Computed tomography, abdomen — axial view — scan has 15 labeled organs (a whole-scan count: organs this slice does not pass through have no box)
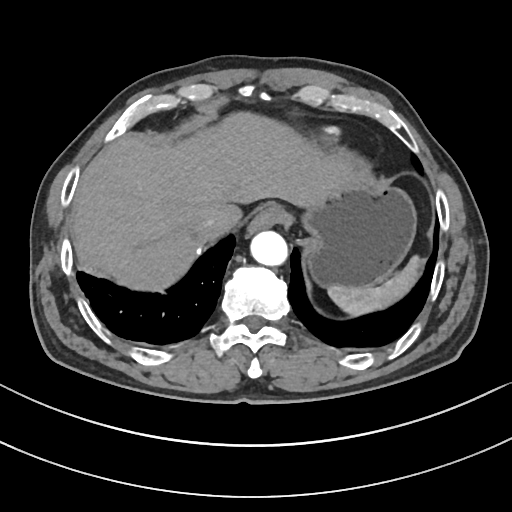 Each box given as x1,y1,x2,y2.
stomach: x1=304, y1=183, x2=415, y2=287
esophagus: x1=244, y1=208, x2=287, y2=238
liver: x1=72, y1=113, x2=363, y2=289
spleen: x1=329, y1=256, x2=420, y2=314
aorta: x1=251, y1=232, x2=288, y2=266
inferior vena cava: x1=199, y1=218, x2=213, y2=228